CT, abdomen/pelvis. Axial slice 24/72. Brilliance16 scanner
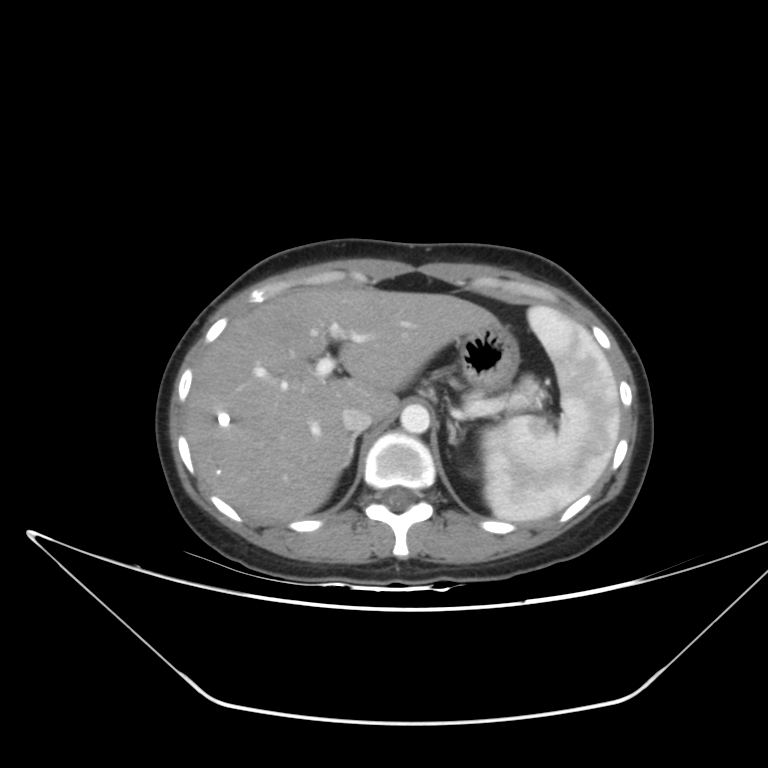
One row per box, in pixels: columns x1 and y1 give the top-left corner, x2 and y2 the bottom-right.
| organ | x1 | y1 | x2 | y2 |
|---|---|---|---|---|
| right adrenal gland | 343 | 434 | 357 | 468 |
| stomach | 458 | 319 | 518 | 390 |
| inferior vena cava | 341 | 406 | 373 | 433 |
| spleen | 482 | 305 | 620 | 522 |
| left adrenal gland | 447 | 421 | 459 | 443 |
| aorta | 400 | 404 | 430 | 433 |
| pancreas | 463 | 376 | 544 | 411 |
| liver | 185 | 287 | 494 | 522 |